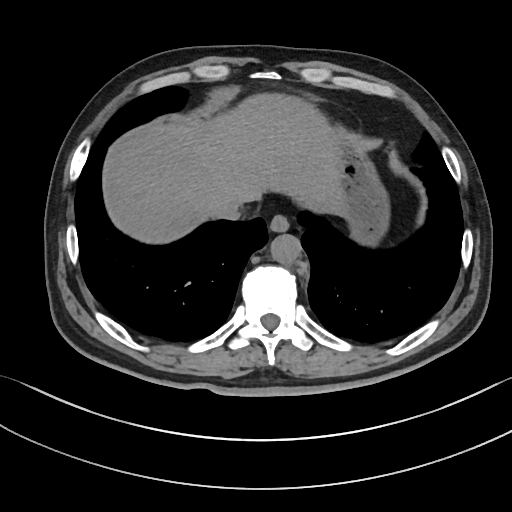 CT abdomen; axial view
Boxes: x1 y1 x2 y2 (pixel coords, space-separated). Labeled organs on this slice: esophagus at 270 214 290 231, liver at 103 93 342 245, stomach at 334 129 389 245, aorta at 270 234 301 263, inferior vena cava at 215 199 243 220.